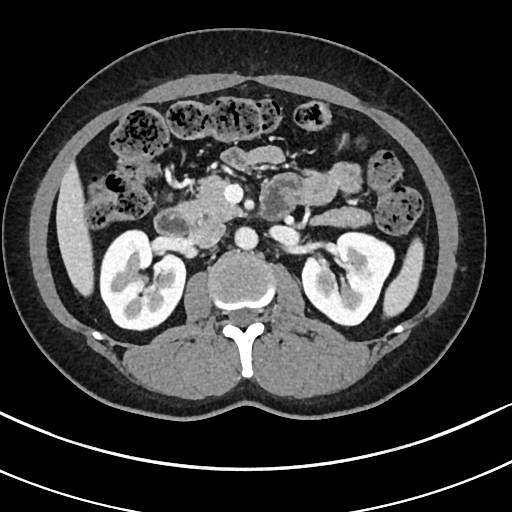
CT abdomen — axial view — acquired on SOMATOM Force
Boxes: x1 y1 x2 y2 (pixel coords, space-separated).
Organ bounding boxes:
- spleen: 382 240 423 317
- right kidney: 99 231 185 327
- left kidney: 302 231 396 326
- liver: 56 163 95 294
- aorta: 234 226 257 249
- inferior vena cava: 189 223 225 248
- pancreas: 176 177 369 225
- duodenum: 154 190 292 234